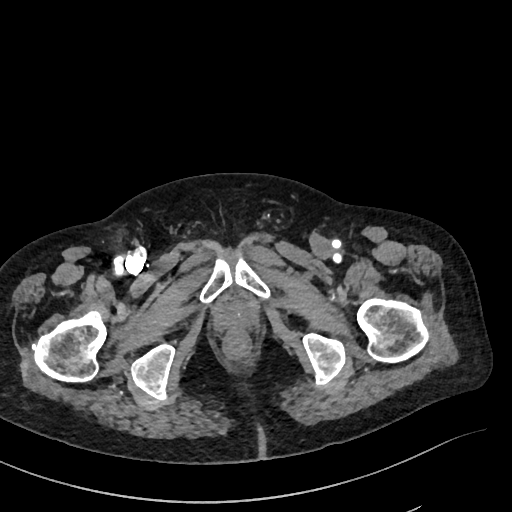
Computed tomography, abdomen; axial view; scan has 15 labeled organs (a whole-scan count: organs this slice does not pass through have no box)
<organs><organ name="prostate/uterus" x1="219" y1="305" x2="248" y2="324"/></organs>